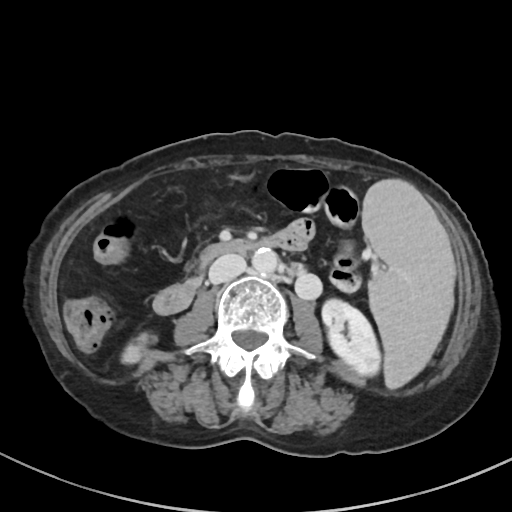

CT, abdomen/pelvis · axial plane, index 46
<organs><organ name="spleen" x1="362" y1="179" x2="454" y2="388"/><organ name="right kidney" x1="122" y1="333" x2="152" y2="363"/><organ name="left kidney" x1="322" y1="299" x2="380" y2="375"/><organ name="aorta" x1="252" y1="249" x2="277" y2="274"/><organ name="inferior vena cava" x1="209" y1="254" x2="246" y2="283"/><organ name="duodenum" x1="154" y1="230" x2="306" y2="313"/></organs>